Magnetic resonance imaging, abdomen. coronal view
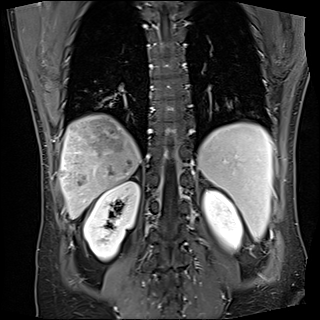 Each box given as x1,y1,x2,y2. The annotated organs in this slice are: spleen at x1=197, y1=122, x2=272, y2=239, right kidney at x1=84, y1=181, x2=140, y2=260, left kidney at x1=203, y1=190, x2=242, y2=250, liver at x1=58, y1=114, x2=140, y2=218, right adrenal gland at x1=136, y1=175, x2=138, y2=179.